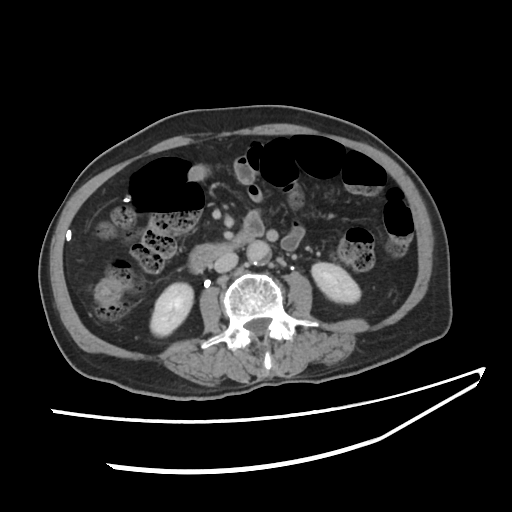 Abdominal CT · axial view · soft-tissue window (W 400 / L 40) · 512x512 px
{"organs":{"inferior vena cava":[214,251,236,272],"aorta":[247,242,270,264],"duodenum":[189,230,252,274],"left kidney":[310,261,359,302],"right kidney":[150,282,192,334]}}